CT of the abdomen reaching into the lower chest, slice just above the liver and spleen — axial view — soft-tissue window (W 400 / L 40) — 512x512 px
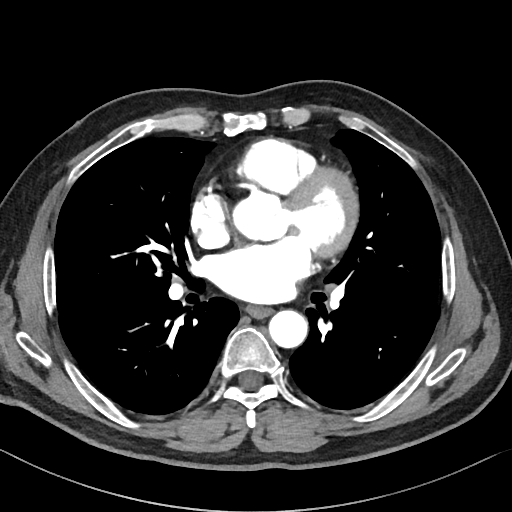

The heart and lungs are never labeled in this dataset, so they have no box on this slice.
{"organs":{"esophagus":[246,306,272,318],"aorta":[268,310,307,348]}}